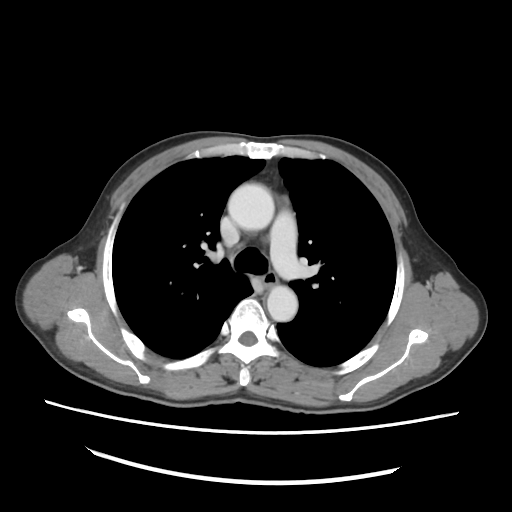 CT of the abdomen extending into the chest, slice through the chest · axial plane, index 93 · soft-tissue window, W/L 400/40 · 512x512 px · scan has 15 labeled organs (counted over the whole 3D scan, not this slice; an organ is boxed only where this slice passes through it)
At this level of the chest no structure but the esophagus and the aorta has a label in this dataset, and those two are boxed only where they are labeled.
Boxes: x1:y1:x2:y2 in pixels.
Organ bounding boxes:
- aorta: 228:183:274:230
- aorta: 267:285:297:321
- esophagus: 263:273:277:286